Abdominal CT — axial view — 15 organs annotated in this scan (that count is for the whole scan; organs this slice misses have no box)
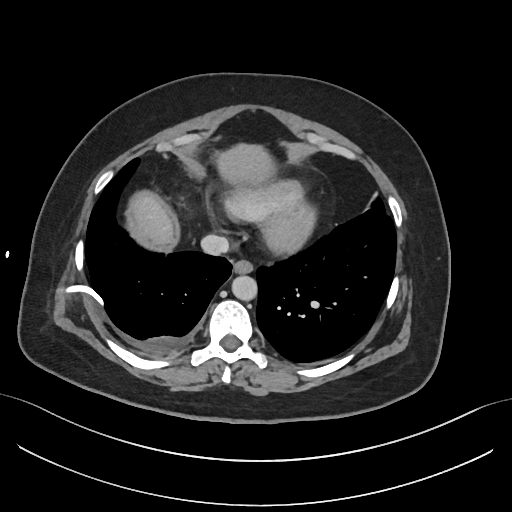 Bounding boxes as [x1, y1, x2, y2] in pixel coordinates.
esophagus: [233, 259, 253, 273]
liver: [135, 143, 276, 242]
aorta: [231, 276, 257, 300]
inferior vena cava: [201, 234, 229, 255]